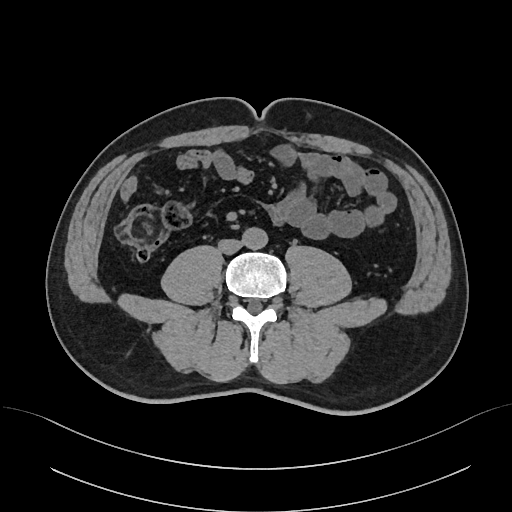
CT, abdomen/pelvis; axial plane, index 117; W/L 400/40 HU
Organ boxes in pixel coordinates; each row gives the top-left (x1, y1) and bottom-right (x2, y2) corners.
| organ | x1 | y1 | x2 | y2 |
|---|---|---|---|---|
| inferior vena cava | 218 | 239 | 242 | 253 |
| aorta | 243 | 227 | 267 | 249 |